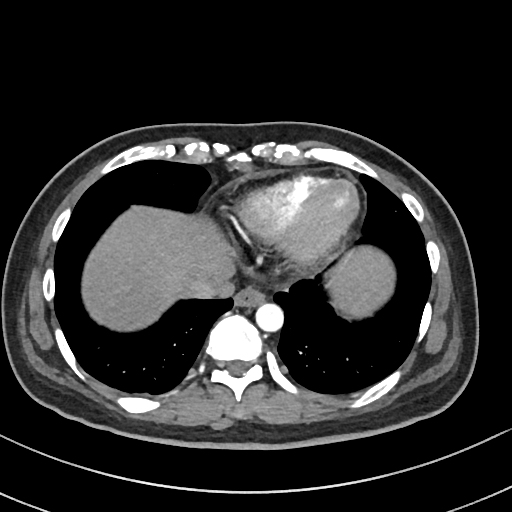 CT, abdomen/pelvis — axial view
Box edges are left/top/right/bottom in pixels. The annotated organs in this slice are: spleen at left=336, top=286, right=384, bottom=317, esophagus at left=234, top=287, right=266, bottom=306, liver at left=80, top=208, right=395, bottom=330, aorta at left=255, top=302, right=283, bottom=331, inferior vena cava at left=185, top=268, right=235, bottom=299.